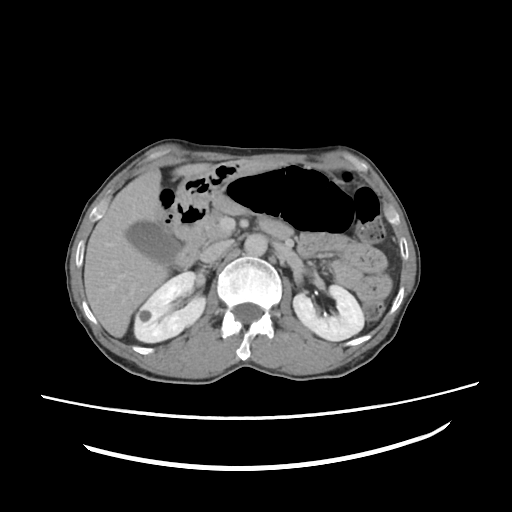
Computed tomography, abdomen — Axial slice 62/84 — abdomen soft-tissue window — 512x512 px
Each box given as x1,y1,x2,y2.
right kidney: x1=134, y1=273, x2=206, y2=343
left kidney: x1=293, y1=284, x2=363, y2=341
gall bladder: x1=126, y1=219, x2=178, y2=266
liver: x1=84, y1=163, x2=217, y2=337
stomach: x1=177, y1=158, x2=285, y2=201
aorta: x1=245, y1=234, x2=267, y2=254
inferior vena cava: x1=199, y1=240, x2=233, y2=262
pancreas: x1=193, y1=196, x2=240, y2=245
duodenum: x1=173, y1=201, x2=290, y2=270